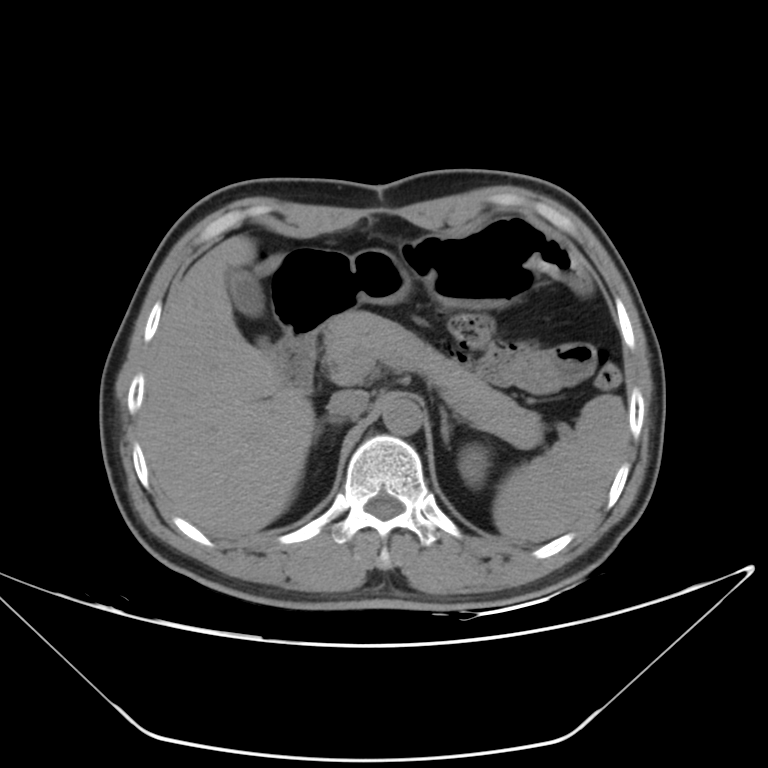 Computed tomography, abdomen · axial view
Boxes are (x1, y1, x2, y2) in pixels.
Organ bounding boxes:
- left kidney: (458, 443, 490, 488)
- pancreas: (324, 311, 543, 448)
- duodenum: (276, 330, 317, 390)
- right adrenal gland: (315, 415, 345, 430)
- spleen: (492, 394, 626, 542)
- aorta: (382, 395, 422, 435)
- inferior vena cava: (327, 390, 368, 418)
- left adrenal gland: (440, 409, 451, 442)
- gall bladder: (226, 267, 264, 316)
- stomach: (273, 226, 536, 334)
- liver: (140, 236, 315, 538)